Computed tomography, abdomen — axial view — SOMATOM Force scanner — 15 organs annotated in this scan (a whole-scan count: organs this slice does not pass through have no box)
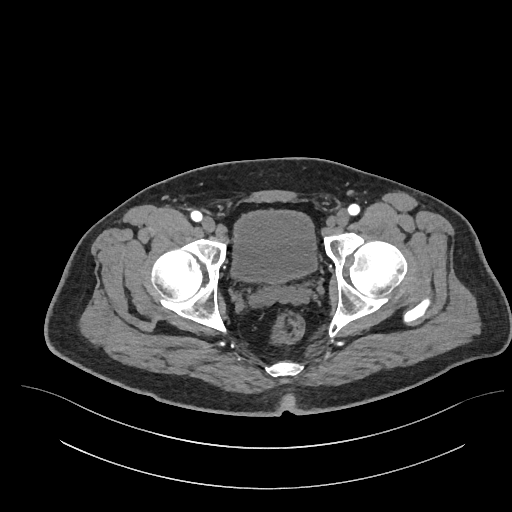 <organs><organ name="bladder" x1="233" y1="212" x2="314" y2="281"/></organs>